Abdominal CT · axial view · soft-tissue window (W 400 / L 40)
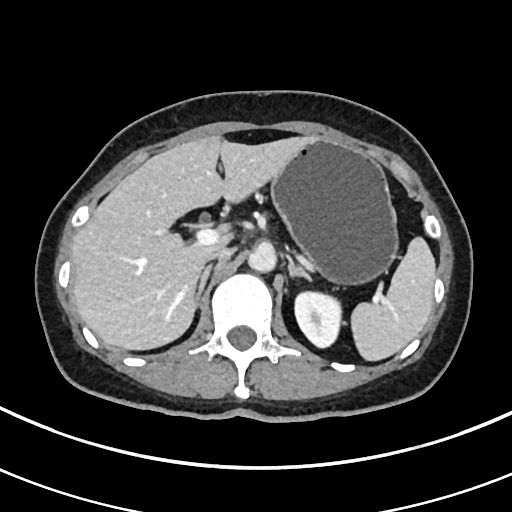 {"organs":{"spleen":[351,236,434,360],"left kidney":[293,289,342,348],"liver":[72,136,313,350],"stomach":[269,138,396,282],"aorta":[247,243,275,271],"inferior vena cava":[209,247,232,260],"right adrenal gland":[192,264,213,311],"left adrenal gland":[289,262,312,282]}}